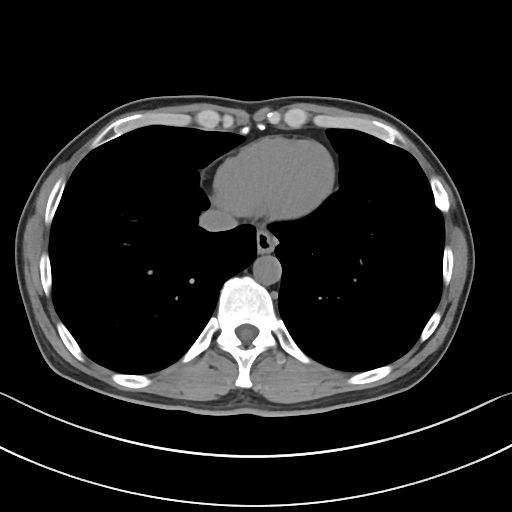 Abdominal CT; this slice is in the lower chest, just above the liver — axial view — scan has 15 labeled organs (that count is for the whole scan; organs this slice misses have no box)
The heart and lungs are never labeled in this dataset, so they have no box on this slice.
One row per box, in pixels: columns x1 and y1 give the top-left corner, x2 and y2 the bottom-right.
| organ | x1 | y1 | x2 | y2 |
|---|---|---|---|---|
| esophagus | 256 | 229 | 276 | 253 |
| aorta | 253 | 255 | 281 | 284 |
| inferior vena cava | 199 | 209 | 236 | 231 |